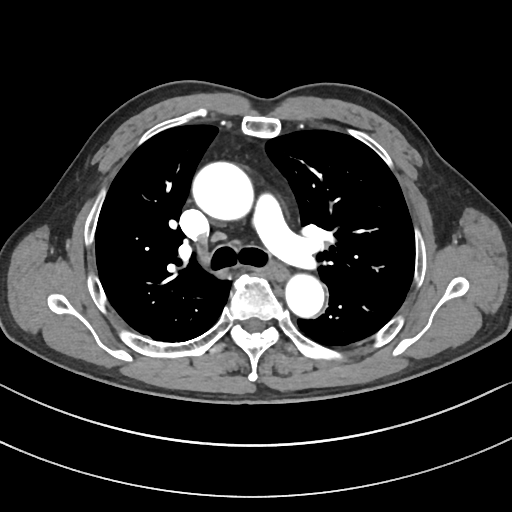

Abdominal CT reaching into the chest; this slice is in the chest · axial view · 512x512 px · SOMATOM Force scanner
On a slice this high in the chest, this dataset labels only the esophagus and the aorta, and each is boxed only where it is labeled; the heart, lungs and other chest structures are not labeled.
Boxes: x1:y1:x2:y2 in pixels.
aorta: 192:162:253:219
aorta: 285:274:324:317
esophagus: 274:269:287:280